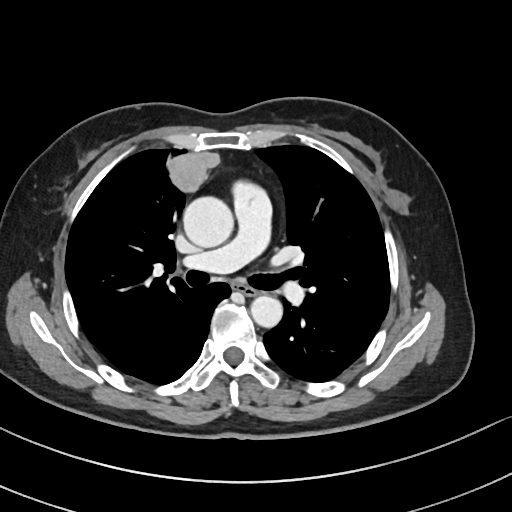
Chest-level CT slice, above the liver and spleen · axial plane, index 257 · SOMATOM Force scanner
At this level of the chest this dataset labels only the esophagus and the aorta, and each is boxed only where it is labeled; the heart and lungs are never labeled.
<organs><organ name="esophagus" x1="233" y1="281" x2="256" y2="295"/><organ name="aorta" x1="183" y1="196" x2="233" y2="247"/><organ name="aorta" x1="250" y1="295" x2="282" y2="327"/></organs>